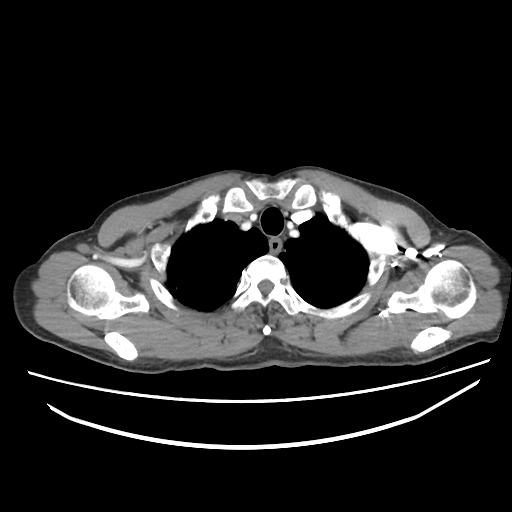

Chest-level slice from an abdominal CT that extends up into the chest. axial view. soft-tissue window, W/L 400/40. 63-year-old male patient. Aquilion ONE scanner. 13 organs annotated in this scan (counted over the whole 3D scan, not this slice; an organ is boxed only where this slice passes through it)
On a slice this high in the chest, this dataset labels only the esophagus and the aorta, and each is boxed only where it is labeled; the heart, lungs and other chest structures are not labeled.
Each box given as x1,y1,x2,y2.
Organ bounding boxes:
- esophagus: x1=270, y1=239, x2=283, y2=252